Computed tomography, abdomen — axial view — W/L 400/40 HU — SOMATOM Force scanner — scan has 15 labeled organs (a whole-scan count: organs this slice does not pass through have no box)
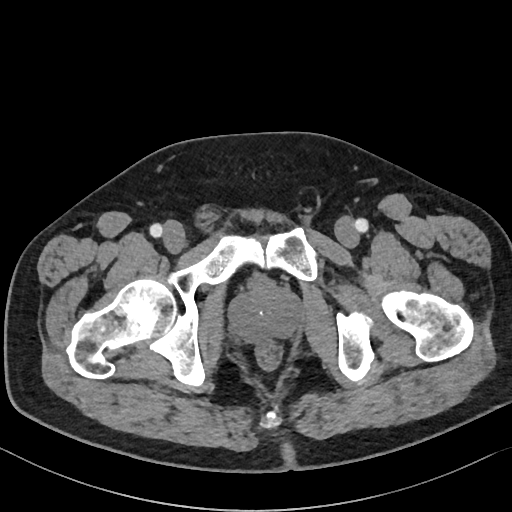

{"organs":{"prostate/uterus":[230,279,302,340]}}